CT, abdomen/pelvis · axial view · 512x512 px · 15 organs annotated in this scan (that count is for the whole scan; organs this slice misses have no box)
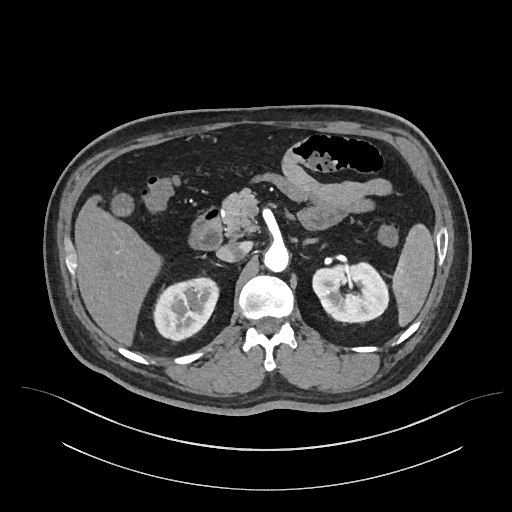

{"organs":{"spleen":[391,222,434,327],"right kidney":[155,278,217,340],"left kidney":[312,263,387,322],"gall bladder":[109,190,136,218],"liver":[74,194,162,347],"aorta":[263,244,288,272],"inferior vena cava":[216,242,249,261],"pancreas":[223,188,259,234],"left adrenal gland":[303,239,318,248],"duodenum":[191,205,223,249]}}